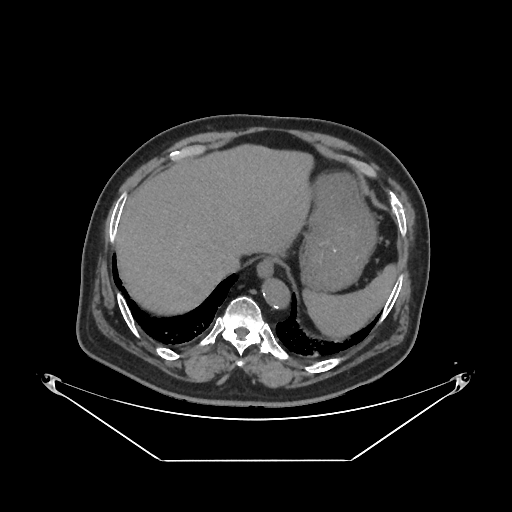
CT, abdomen/pelvis · axial plane, index 302
<organs><organ name="spleen" x1="303" y1="264" x2="398" y2="338"/><organ name="esophagus" x1="256" y1="258" x2="273" y2="277"/><organ name="liver" x1="116" y1="144" x2="313" y2="315"/><organ name="stomach" x1="300" y1="172" x2="376" y2="291"/><organ name="aorta" x1="262" y1="278" x2="290" y2="308"/><organ name="inferior vena cava" x1="220" y1="254" x2="240" y2="273"/></organs>